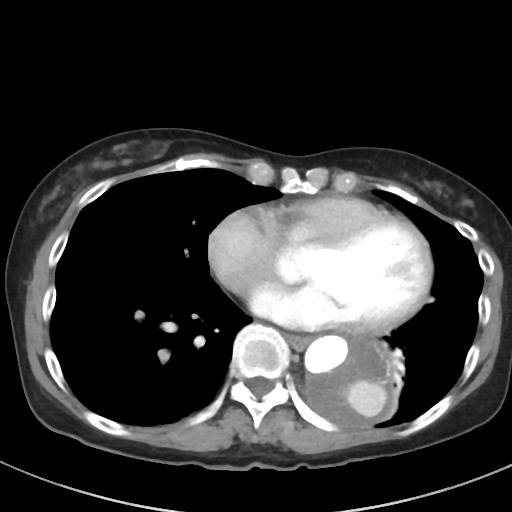 Lower-chest slice from an abdominal CT, just above the liver and spleen — Axial slice 79/116 — soft-tissue window (W 400 / L 40)
The heart and lungs are never labeled in this dataset, so they have no box on this slice.
<organs><organ name="esophagus" x1="287" y1="334" x2="310" y2="348"/><organ name="aorta" x1="304" y1="330" x2="402" y2="428"/></organs>